CT abdomen. axial view. soft-tissue window (W 400 / L 40)
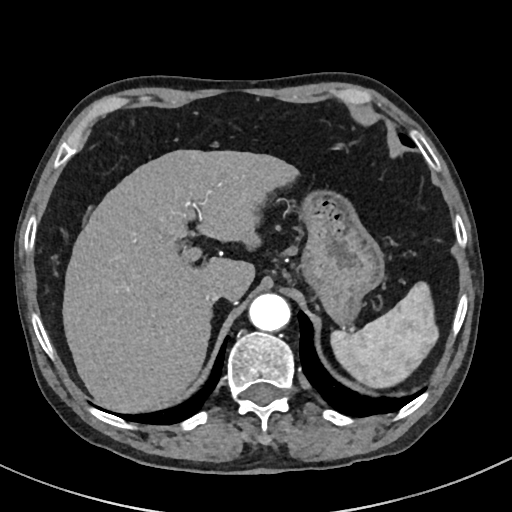
Organ boxes in pixel coordinates; each row gives the top-left (x1, y1) and bottom-right (x2, y2) corners.
| organ | x1 | y1 | x2 | y2 |
|---|---|---|---|---|
| aorta | 247 | 293 | 289 | 331 |
| inferior vena cava | 203 | 285 | 228 | 305 |
| spleen | 332 | 283 | 438 | 386 |
| stomach | 298 | 193 | 385 | 324 |
| liver | 62 | 149 | 299 | 411 |